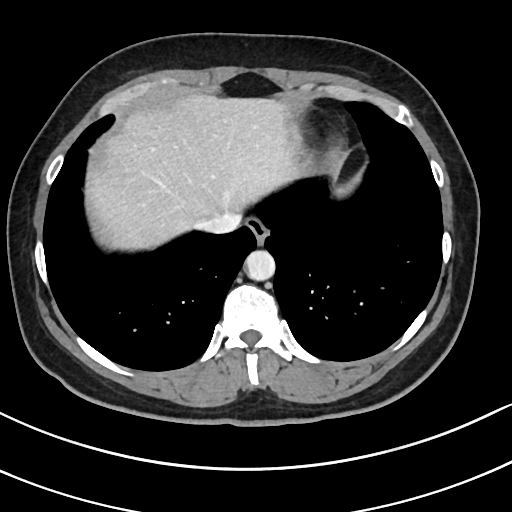 Computed tomography, abdomen; axial view; acquired on SOMATOM Force
{"organs":{"esophagus":[246,218,268,244],"liver":[89,97,306,250],"aorta":[246,250,275,280],"inferior vena cava":[197,210,242,232]}}